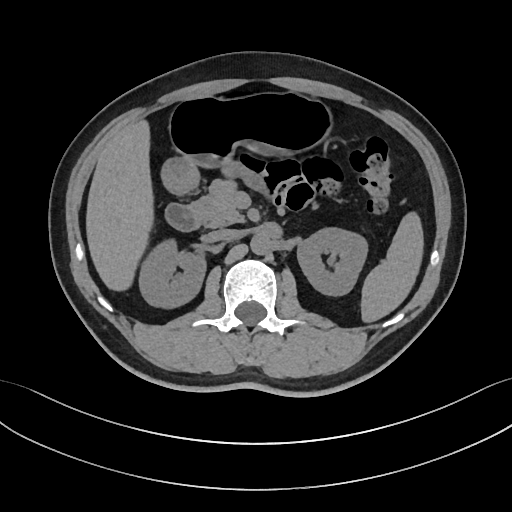

CT, abdomen/pelvis — axial view — abdomen soft-tissue window
Boxes: x1:y1:x2:y2 in pixels.
liver: 85:118:152:290
left kidney: 297:228:366:295
spleen: 360:213:424:323
right kidney: 140:241:206:308
inferior vena cava: 206:229:237:241
pancreas: 189:179:244:226
aorta: 250:234:271:255
stomach: 162:93:334:194
duodenum: 166:203:200:231